CT abdomen; axial view; 512x512 px
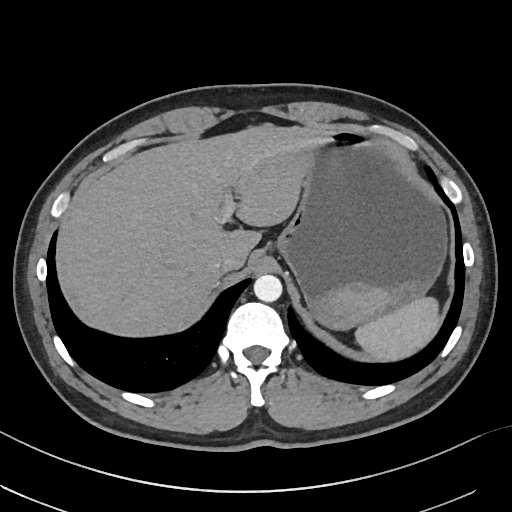 Box edges are left/top/right/bottom in pixels.
spleen: left=356, top=296, right=440, bottom=363
liver: left=66, top=125, right=327, bottom=338
stomach: left=278, top=132, right=447, bottom=330
aorta: left=254, top=274, right=282, bottom=302
inferior vena cava: left=211, top=252, right=239, bottom=274